CT abdomen · axial view · soft-tissue window
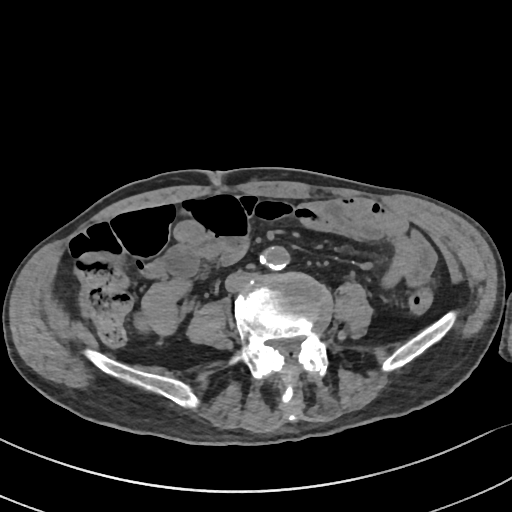

Each box given as x1,y1,x2,y2.
aorta: x1=258, y1=246, x2=289, y2=269
inferior vena cava: x1=225, y1=273, x2=249, y2=291